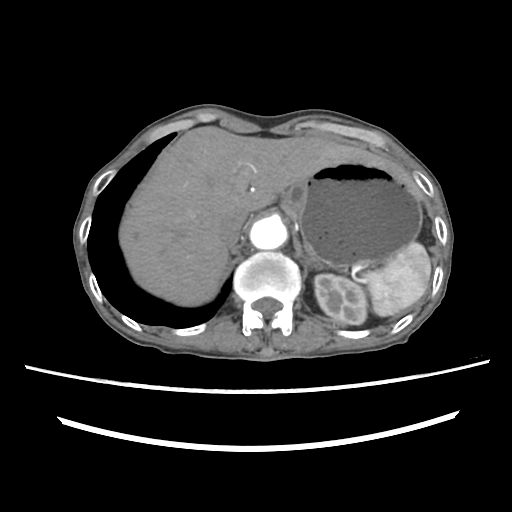 Computed tomography, abdomen · axial view · 512x512 px
Coordinates as <box>x1,y1,x2,y2</box> in pixels.
Organ bounding boxes:
- inferior vena cava: <box>218,213,246,246</box>
- spleen: <box>362,241,431,316</box>
- stomach: <box>282,162,422,267</box>
- liver: <box>119,126,421,305</box>
- aorta: <box>250,217,287,249</box>
- left kidney: <box>314,274,367,324</box>
- left adrenal gland: <box>303,246,322,266</box>